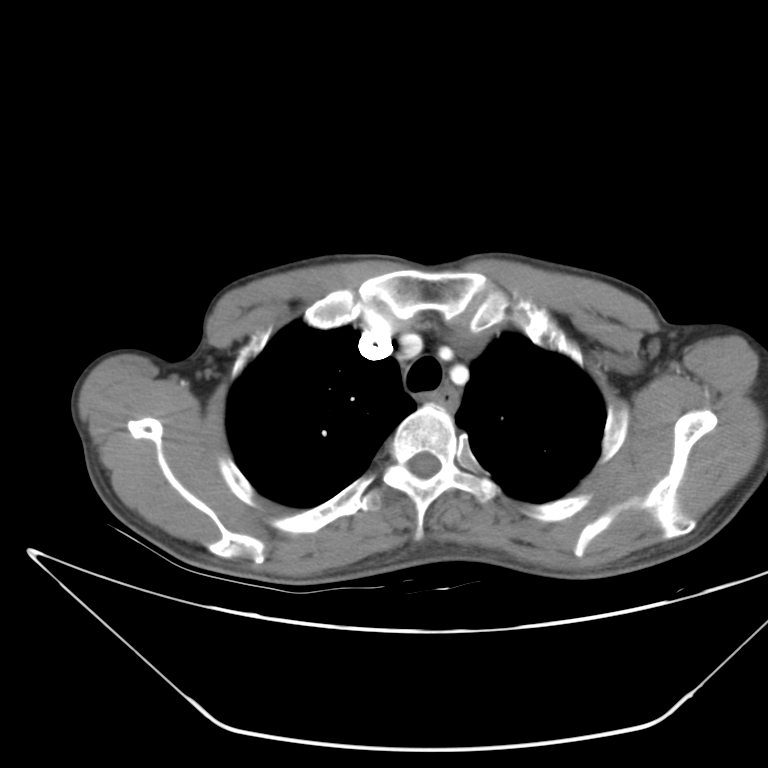

CT of the abdomen extending into the chest, slice through the chest — Axial slice 93/103 — 62-year-old male patient — acquired on Brilliance16
At this level of the chest this dataset labels only the esophagus and the aorta, and each is boxed only where it is labeled; the heart and lungs are never labeled.
<organs><organ name="esophagus" x1="433" y1="387" x2="457" y2="412"/></organs>